Abdominal CT — Axial slice 27/112 — 512x512 px — 39-year-old female patient
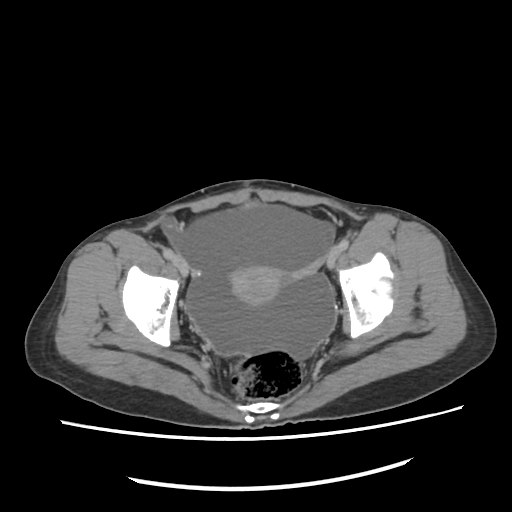
Box edges are left/top/right/bottom in pixels. The annotated organs in this slice are: prostate/uterus at left=228, top=266, right=283, bottom=305.